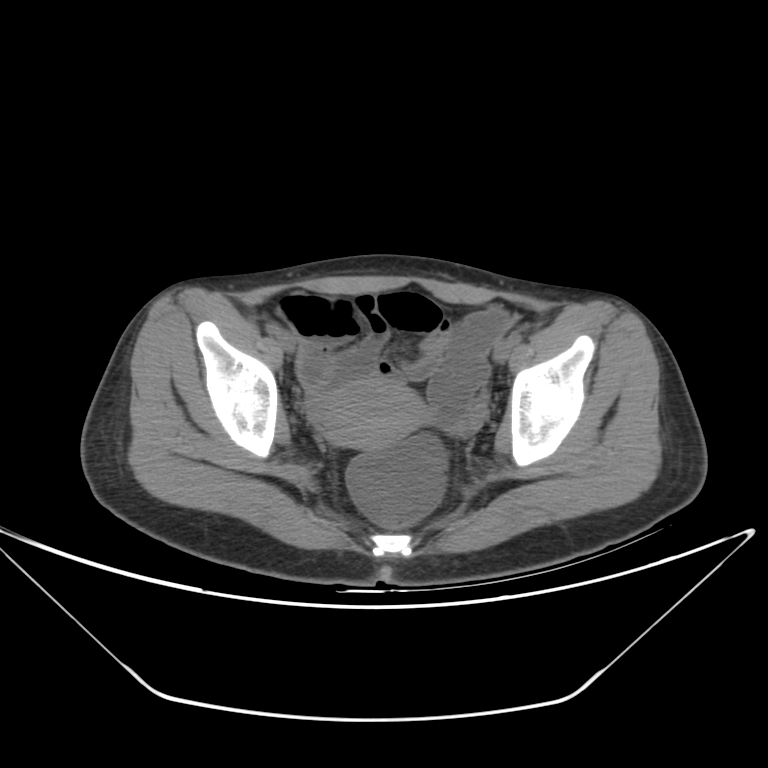

CT abdomen; axial view; soft-tissue window
<organs><organ name="prostate/uterus" x1="315" y1="378" x2="424" y2="449"/></organs>